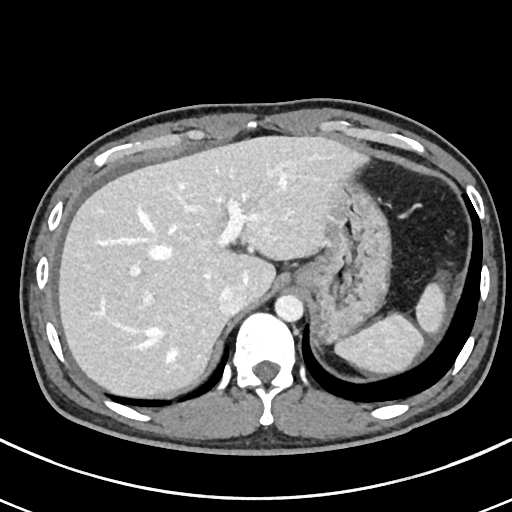

CT, abdomen/pelvis · axial view · soft-tissue window (W 400 / L 40)
Each box given as x1,y1,x2,y2.
Organ bounding boxes:
- aorta: x1=275, y1=295, x2=304, y2=322
- spleen: x1=335, y1=282, x2=446, y2=371
- liver: x1=59, y1=136, x2=367, y2=395
- stomach: x1=293, y1=178, x2=389, y2=341
- inferior vena cava: x1=219, y1=284, x2=247, y2=316